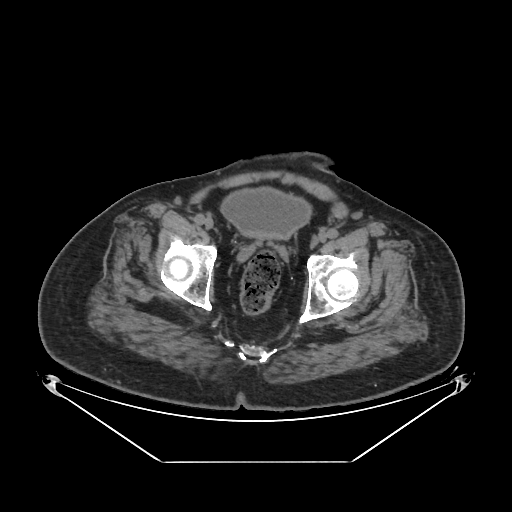
Computed tomography, abdomen; axial view; abdomen soft-tissue window; 15 organs annotated in this scan (counted over the whole 3D scan, not this slice; an organ is boxed only where this slice passes through it)
Boxes: x1 y1 x2 y2 (pixel coords, space-separated).
bladder: 221 189 309 238